CT abdomen; axial view; 768x768 px; Brilliance16 scanner
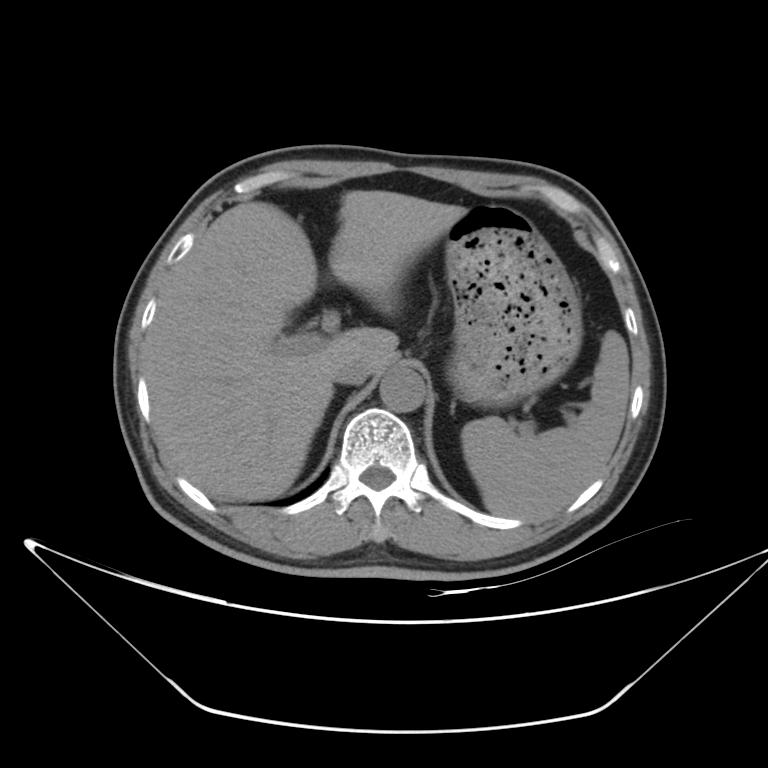

<organs><organ name="spleen" x1="461" y1="330" x2="630" y2="519"/><organ name="liver" x1="143" y1="190" x2="467" y2="501"/><organ name="stomach" x1="445" y1="205" x2="583" y2="407"/><organ name="aorta" x1="380" y1="368" x2="426" y2="413"/><organ name="inferior vena cava" x1="332" y1="360" x2="370" y2="384"/></organs>